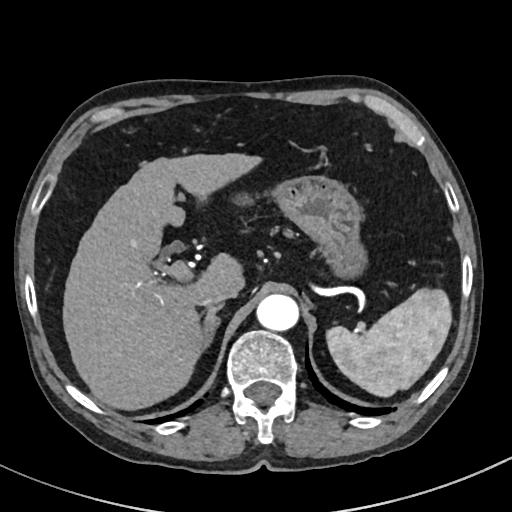

CT abdomen · Axial slice 179/303 · abdomen soft-tissue window · 15 organs annotated in this scan (counted over the whole 3D scan, not this slice; an organ is boxed only where this slice passes through it)
Box edges are left/top/right/bottom in pixels.
Organ bounding boxes:
- inferior vena cava: left=199, top=286, right=236, bottom=308
- stomach: left=276, top=176, right=363, bottom=275
- spleen: left=326, top=285, right=450, bottom=396
- liver: left=62, top=153, right=263, bottom=411
- right adrenal gland: left=204, top=304, right=221, bottom=345
- aorta: left=255, top=294, right=297, bottom=331